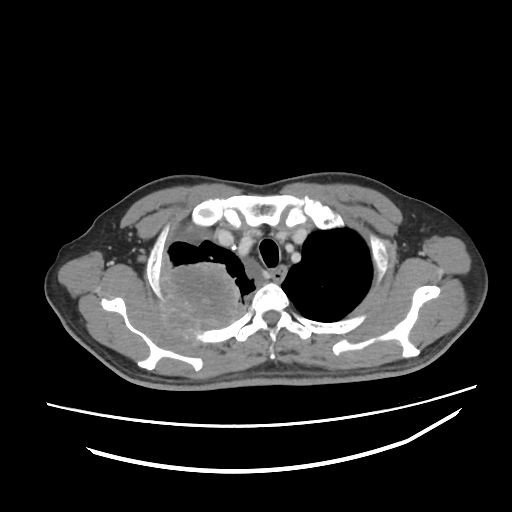 Chest-level CT slice, above the liver and spleen · axial view · 512x512 px · acquired on Aquilion ONE · scan has 15 labeled organs (that count is for the whole scan; organs this slice misses have no box)
At this level of the chest this dataset labels only the esophagus and the aorta, and each is boxed only where it is labeled; the heart and lungs are never labeled. Coordinates as <box>x1,y1,x2,y2</box> in pixels. 1 labeled organ on this slice — esophagus at <box>269,264,287,283</box>.